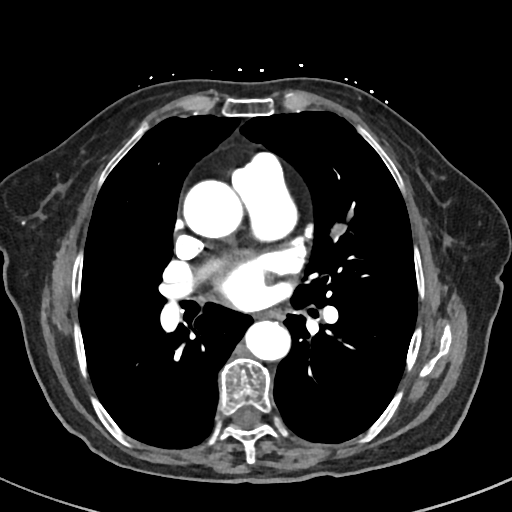 Abdominal CT reaching into the chest; this slice is in the chest — Axial slice 212/279 — soft-tissue window — scan has 15 labeled organs (counted over the whole 3D scan, not this slice; an organ is boxed only where this slice passes through it)
On a slice this high in the chest, this dataset labels only the esophagus and the aorta, and each is boxed only where it is labeled; the heart, lungs and other chest structures are not labeled.
{"organs":{"esophagus":[263,311,284,321],"aorta":[[184,180,244,238],[244,320,289,360]]}}